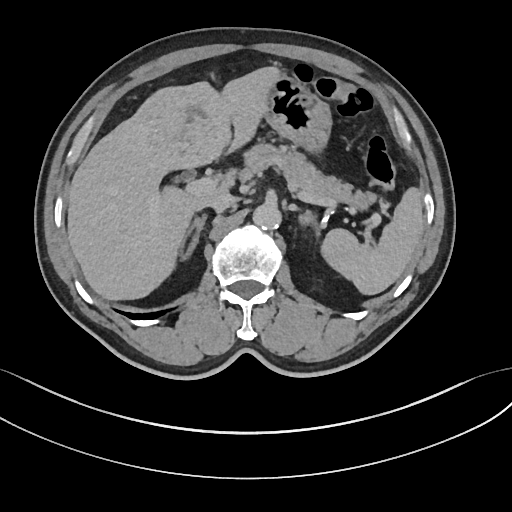 Computed tomography, abdomen — axial view
Each box given as x1,y1,x2,y2.
Organ bounding boxes:
- liver: x1=67, y1=66, x2=281, y2=300
- left adrenal gland: x1=299, y1=210, x2=319, y2=234
- inferior vena cava: x1=203, y1=190, x2=235, y2=212
- aorta: x1=253, y1=204, x2=281, y2=229
- spleen: x1=321, y1=187, x2=422, y2=295
- stomach: x1=264, y1=75, x2=331, y2=153
- right adrenal gland: x1=180, y1=214, x2=206, y2=259
- pancreas: x1=243, y1=142, x2=376, y2=209